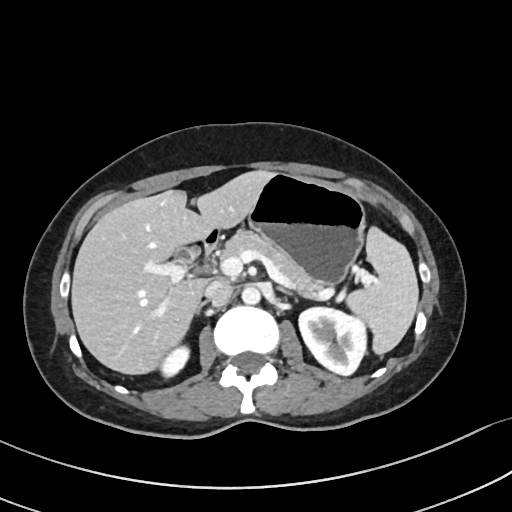

Abdominal CT. axial view. soft-tissue window (W 400 / L 40). SOMATOM Force scanner. 15 organs annotated in this scan (counted over the whole 3D scan, not this slice; an organ is boxed only where this slice passes through it)
<organs><organ name="spleen" x1="346" y1="226" x2="419" y2="355"/><organ name="right kidney" x1="160" y1="347" x2="188" y2="376"/><organ name="left kidney" x1="298" y1="307" x2="366" y2="375"/><organ name="gall bladder" x1="174" y1="248" x2="194" y2="262"/><organ name="liver" x1="70" y1="170" x2="275" y2="375"/><organ name="stomach" x1="248" y1="173" x2="367" y2="287"/><organ name="aorta" x1="242" y1="287" x2="261" y2="305"/><organ name="inferior vena cava" x1="203" y1="279" x2="233" y2="304"/><organ name="pancreas" x1="226" y1="231" x2="320" y2="298"/><organ name="right adrenal gland" x1="195" y1="302" x2="207" y2="318"/><organ name="left adrenal gland" x1="275" y1="286" x2="290" y2="294"/><organ name="duodenum" x1="204" y1="231" x2="219" y2="256"/></organs>